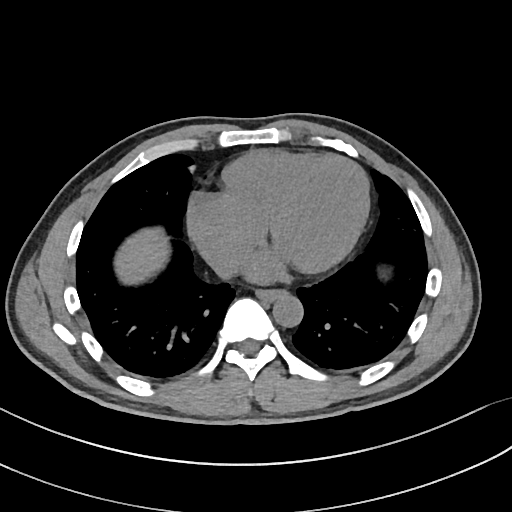

CT abdomen — axial view — scan has 15 labeled organs (that count is for the whole scan; organs this slice misses have no box)
Bounding boxes in pixels, one row per box: x1, y1 is the top-left corner and x2, y2 the bottom-right.
| organ | x1 | y1 | x2 | y2 |
|---|---|---|---|---|
| esophagus | 256 | 289 | 285 | 301 |
| liver | 114 | 227 | 170 | 285 |
| aorta | 272 | 292 | 303 | 327 |
| inferior vena cava | 209 | 252 | 239 | 278 |